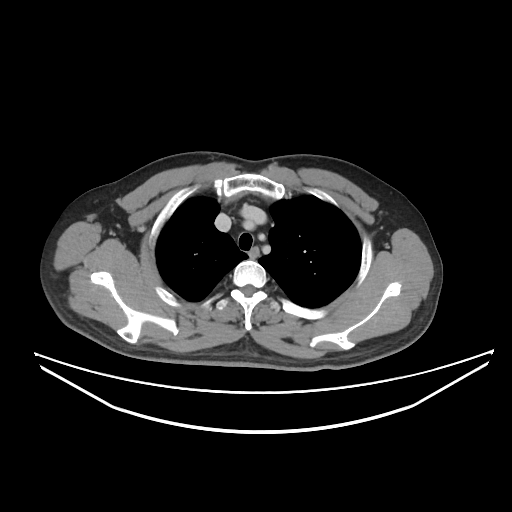 Abdominal CT reaching into the chest; this slice is in the chest; axial plane, index 118; soft-tissue window; 512x512 px; 40-year-old male patient; scan has 15 labeled organs (a whole-scan count: organs this slice does not pass through have no box)
At this level of the chest this dataset labels only the esophagus and the aorta, and each is boxed only where it is labeled; the heart and lungs are never labeled.
<organs><organ name="esophagus" x1="248" y1="247" x2="258" y2="257"/></organs>